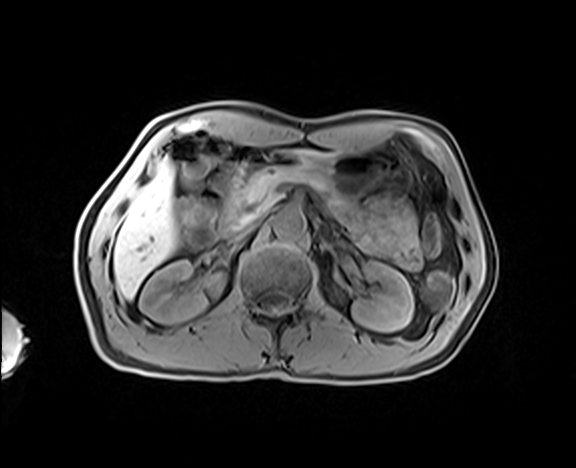
Abdominal MRI; axial view; 13 organs annotated in this scan (counted over the whole 3D scan, not this slice; an organ is boxed only where this slice passes through it)
Boxes: x1:y1:x2:y2 in pixels. The annotated organs in this slice are: left kidney at 351:261:413:331, right kidney at 139:260:223:322, stomach at 246:152:408:195, liver at 113:146:338:299, inferior vena cava at 231:215:260:239, pancreas at 244:167:327:205, aorta at 273:209:305:239, duodenum at 209:163:252:237.